Computed tomography, abdomen — axial view — W/L 400/40 HU — 43-year-old female patient — scan has 15 labeled organs (a whole-scan count: organs this slice does not pass through have no box)
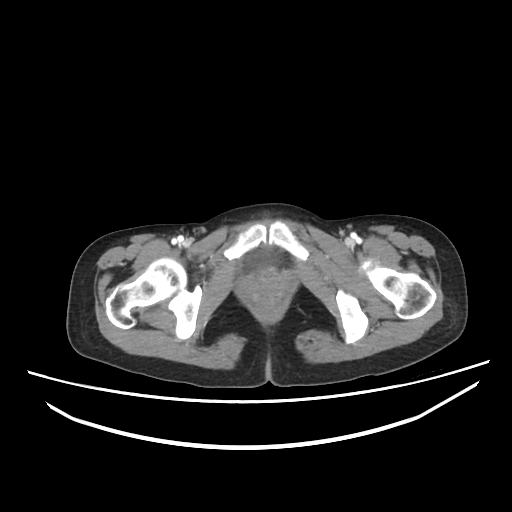

Boxes: x1:y1:x2:y2 in pixels.
bladder: 249:250:274:267